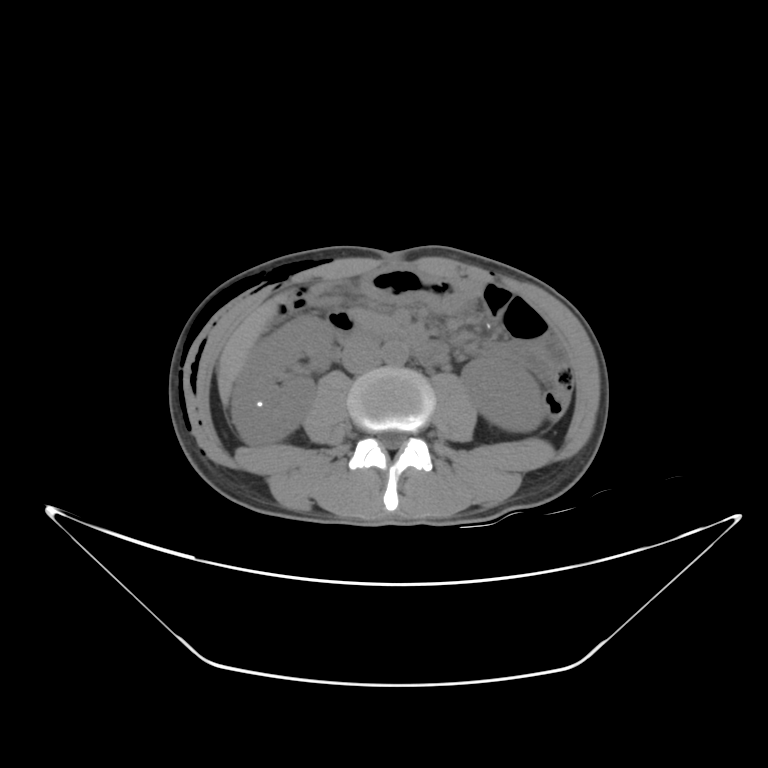 Abdominal CT; axial view; 15 organs annotated in this scan (counted over the whole 3D scan, not this slice; an organ is boxed only where this slice passes through it)
Bounding boxes in pixels, one row per box: x1, y1 is the top-left corner and x2, y2 the bottom-right.
| organ | x1 | y1 | x2 | y2 |
|---|---|---|---|---|
| stomach | 363 | 265 | 482 | 315 |
| left kidney | 459 | 358 | 541 | 431 |
| inferior vena cava | 342 | 341 | 378 | 370 |
| pancreas | 354 | 306 | 407 | 339 |
| liver | 217 | 298 | 280 | 407 |
| duodenum | 328 | 307 | 450 | 368 |
| right kidney | 231 | 316 | 332 | 443 |
| spleen | 477 | 359 | 541 | 424 |
| aorta | 383 | 341 | 407 | 366 |